Computed tomography, abdomen; axial view; soft-tissue window; 512x512 px; SOMATOM Force scanner
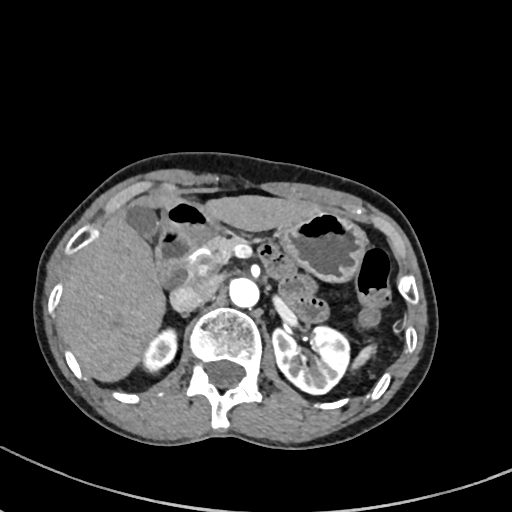

Organ boxes in pixel coordinates; each row gives the top-left (x1, y1) and bottom-right (x2, y2) corners.
| organ | x1 | y1 | x2 | y2 |
|---|---|---|---|---|
| spleen | 350 | 346 | 376 | 369 |
| right kidney | 143 | 330 | 175 | 370 |
| left kidney | 271 | 325 | 349 | 394 |
| gall bladder | 127 | 205 | 158 | 238 |
| liver | 57 | 194 | 326 | 382 |
| stomach | 162 | 200 | 368 | 285 |
| aorta | 230 | 279 | 259 | 307 |
| inferior vena cava | 170 | 277 | 218 | 311 |
| pancreas | 187 | 233 | 259 | 277 |
| duodenum | 156 | 225 | 203 | 285 |